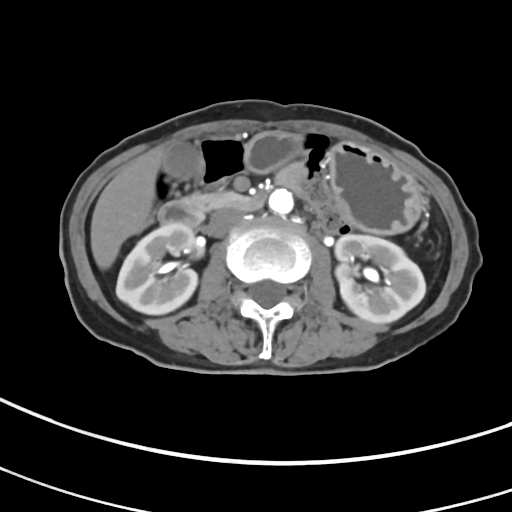 Abdominal CT · axial view · 512x512 px
{"organs":{"right kidney":[116,223,197,314],"left kidney":[334,234,425,323],"gall bladder":[163,142,201,178],"liver":[90,146,166,269],"stomach":[243,131,419,232],"aorta":[268,189,293,214],"inferior vena cava":[205,208,241,237],"pancreas":[185,192,240,211],"duodenum":[157,194,266,228]}}